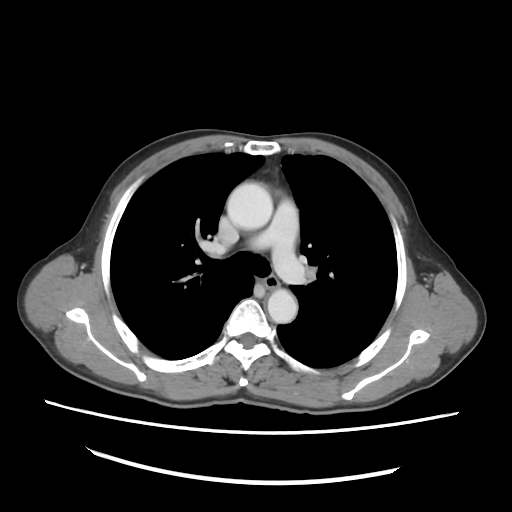 Chest-level slice from an abdominal CT that extends up into the chest — axial plane, index 92
At this level of the chest this dataset labels only the esophagus and the aorta, and each is boxed only where it is labeled; the heart and lungs are never labeled. Bounding boxes as [x1, y1, x2, y2] in pixel coordinates. The annotated organs in this slice are: esophagus at [264, 277, 279, 289], aorta at [227, 183, 272, 230], aorta at [267, 289, 297, 323].